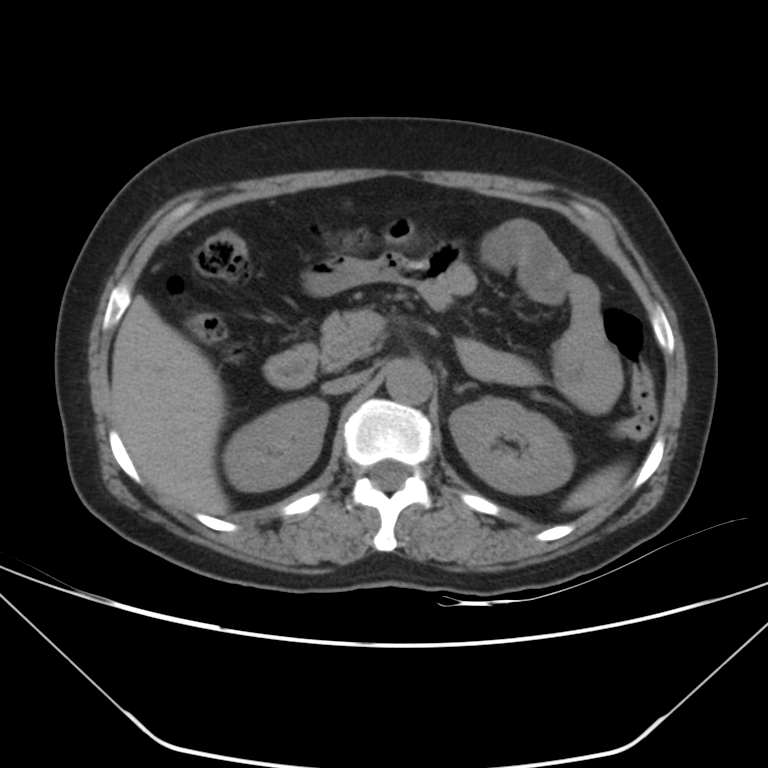 Computed tomography, abdomen. Axial slice 60/89. 768x768 px. 40-year-old male patient. 15 organs annotated in this scan (a whole-scan count: organs this slice does not pass through have no box)
Boxes: x1 y1 x2 y2 (pixel coords, space-separated).
Organ bounding boxes:
- spleen: 564 468 624 508
- right kidney: 224 398 328 491
- left kidney: 449 396 573 494
- liver: 110 296 228 515
- aorta: 385 359 433 404
- inferior vena cava: 322 372 367 394
- pancreas: 319 311 376 371
- left adrenal gland: 459 383 476 389
- duodenum: 263 344 316 389